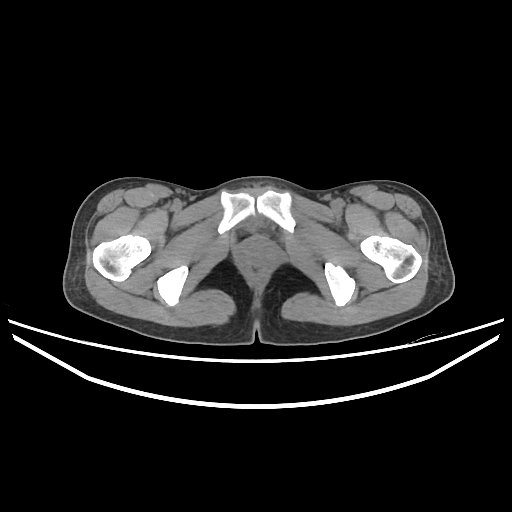

Abdominal CT. axial view
Each box given as x1,y1,x2,y2. Labeled organs on this slice: bladder at x1=248, y1=220, x2=257, y2=227.